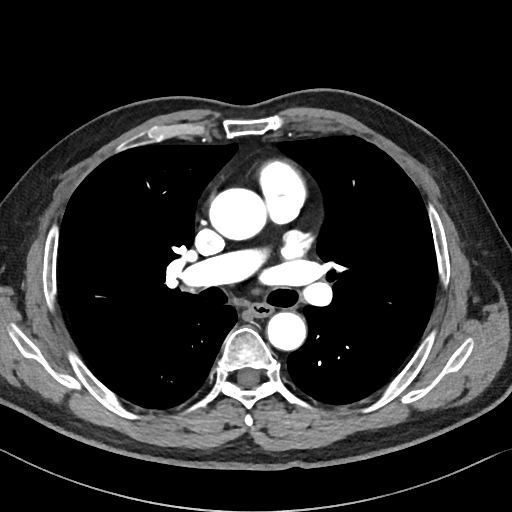

Chest-level CT slice, above the liver and spleen — axial view
On a slice this high in the chest, this dataset labels only the esophagus and the aorta, and each is boxed only where it is labeled; the heart, lungs and other chest structures are not labeled.
One row per box, in pixels: columns x1 and y1 give the top-left corner, x2 and y2 the bottom-right.
| organ | x1 | y1 | x2 | y2 |
|---|---|---|---|---|
| aorta | 208 | 187 | 265 | 240 |
| aorta | 266 | 312 | 306 | 350 |
| esophagus | 250 | 303 | 272 | 317 |